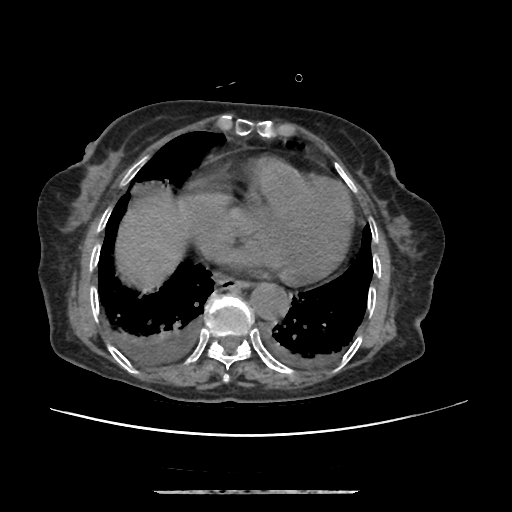
CT abdomen · axial view
Box edges are left/top/right/bottom in pixels.
esophagus: left=216, top=273, right=249, bottom=289
liver: left=115, top=189, right=187, bottom=284
aorta: left=250, top=282, right=287, bottom=318